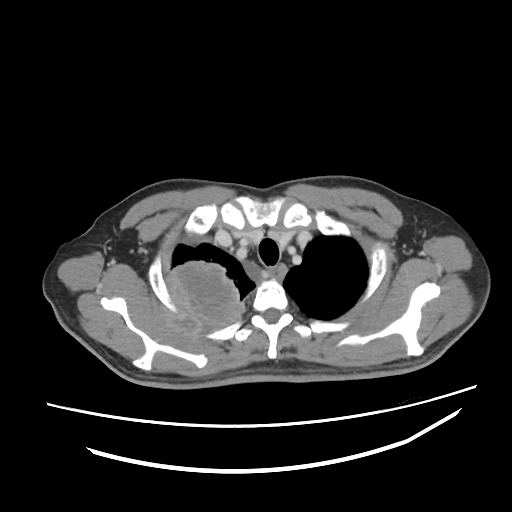 Chest-level CT slice, above the liver and spleen · axial view · 512x512 px · acquired on Aquilion ONE · 15 organs annotated in this scan (that count is for the whole scan; organs this slice misses have no box)
At this level of the chest no structure but the esophagus and the aorta has a label in this dataset, and those two are boxed only where they are labeled.
Organ boxes in pixel coordinates; each row gives the top-left (x1, y1) and bottom-right (x2, y2) corners.
| organ | x1 | y1 | x2 | y2 |
|---|---|---|---|---|
| esophagus | 268 | 263 | 287 | 277 |